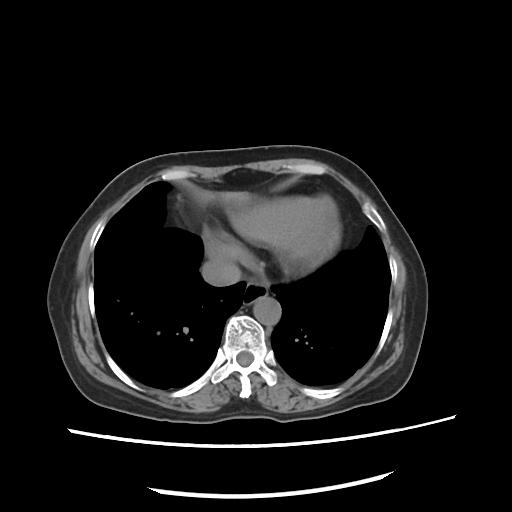
CT abdomen; axial view; 512x512 px
<organs><organ name="esophagus" x1="244" y1="282" x2="269" y2="305"/><organ name="liver" x1="193" y1="190" x2="252" y2="205"/><organ name="aorta" x1="251" y1="295" x2="281" y2="325"/><organ name="inferior vena cava" x1="201" y1="259" x2="242" y2="285"/></organs>